Abdominal CT; this slice is in the lower chest, just above the liver; axial view; soft-tissue window; 512x512 px
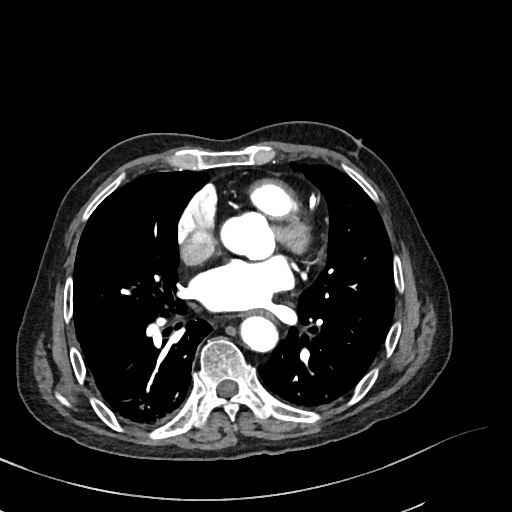 Of the structures in the chest, this dataset labels only the esophagus, the aorta and the inferior vena cava; the heart and lungs have no label.
{"organs":{"esophagus":[244,311,272,319],"aorta":[[220,213,274,260],[240,315,278,352]]}}